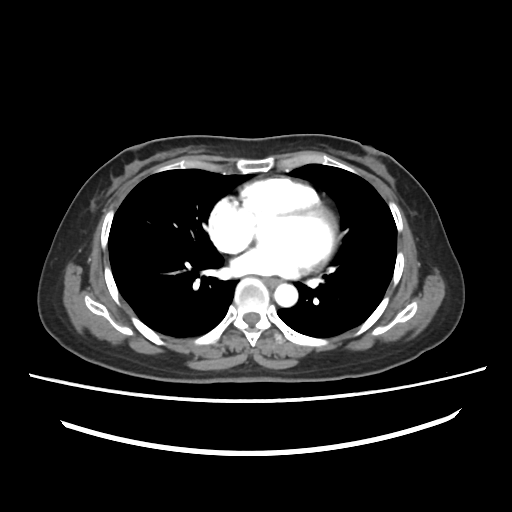 Lower-chest slice from an abdominal CT, just above the liver and spleen; Axial slice 97/123; soft-tissue window (W 400 / L 40); acquired on Aquilion ONE
No part of the heart or lungs is labeled in this dataset, so neither has a box here.
<organs><organ name="aorta" x1="274" y1="283" x2="297" y2="307"/><organ name="esophagus" x1="265" y1="277" x2="281" y2="286"/></organs>